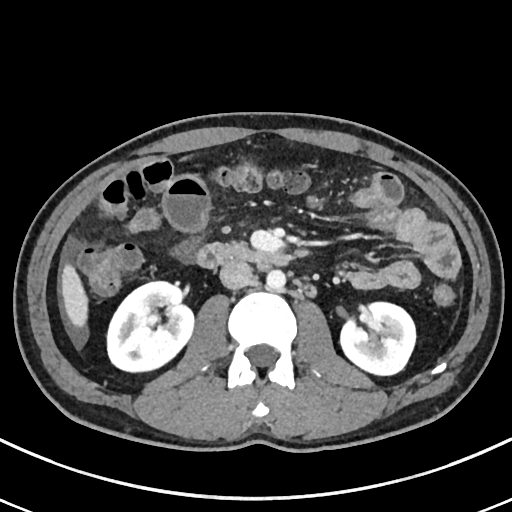 CT, abdomen/pelvis; axial view
<organs><organ name="right kidney" x1="107" y1="281" x2="193" y2="371"/><organ name="left kidney" x1="340" y1="302" x2="415" y2="375"/><organ name="liver" x1="61" y1="264" x2="88" y2="327"/><organ name="aorta" x1="266" y1="269" x2="285" y2="290"/><organ name="inferior vena cava" x1="220" y1="260" x2="252" y2="289"/><organ name="duodenum" x1="196" y1="243" x2="289" y2="268"/></organs>